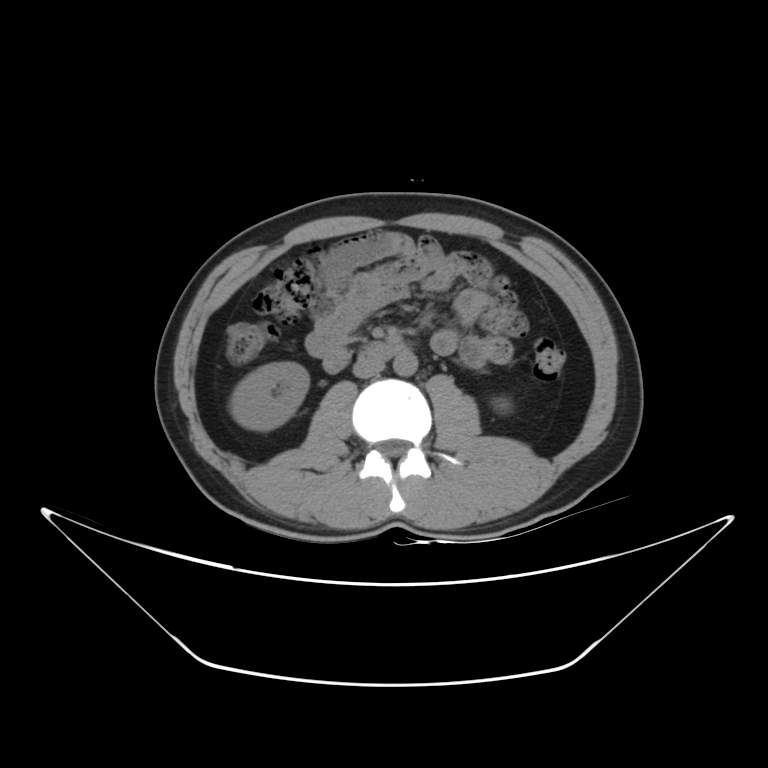 CT, abdomen/pelvis. axial view. 768x768 px. acquired on Brilliance16. scan has 15 labeled organs (counted over the whole 3D scan, not this slice; an organ is boxed only where this slice passes through it)
Bounding boxes in pixels, one row per box: x1, y1 is the top-left corner and x2, y2 the bottom-right.
| organ | x1 | y1 | x2 | y2 |
|---|---|---|---|---|
| right kidney | 229 | 361 | 308 | 430 |
| left kidney | 493 | 398 | 511 | 412 |
| aorta | 392 | 350 | 417 | 376 |
| inferior vena cava | 352 | 356 | 385 | 377 |
| duodenum | 322 | 342 | 406 | 373 |